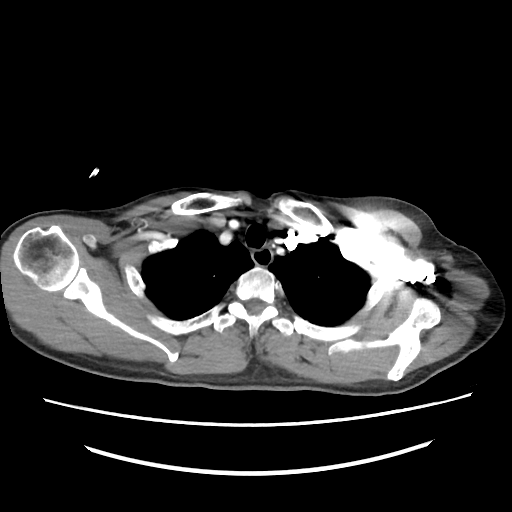 Chest-level CT slice, above the liver and spleen; axial view; 61-year-old male patient
On a slice this high in the chest, this dataset labels only the esophagus and the aorta, and each is boxed only where it is labeled; the heart, lungs and other chest structures are not labeled.
Organ boxes in pixel coordinates; each row gives the top-left (x1, y1) and bottom-right (x2, y2) corners.
| organ | x1 | y1 | x2 | y2 |
|---|---|---|---|---|
| esophagus | 250 | 250 | 272 | 266 |